CT, abdomen/pelvis — axial plane, index 79 — soft-tissue window (W 400 / L 40) — scan has 15 labeled organs (that count is for the whole scan; organs this slice misses have no box)
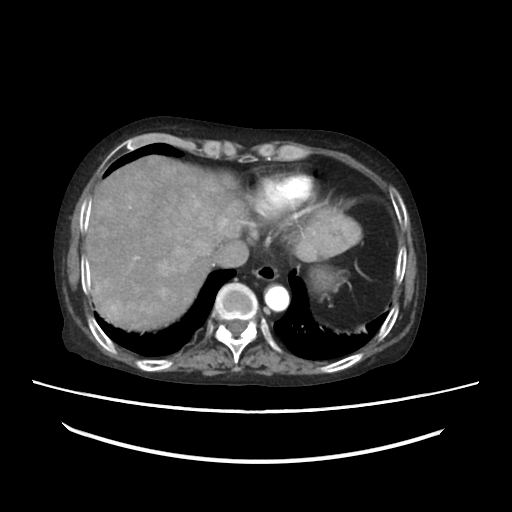
Organ boxes in pixel coordinates; each row gives the top-left (x1, y1) and bottom-right (x2, y2) corners.
| organ | x1 | y1 | x2 | y2 |
|---|---|---|---|---|
| aorta | 264 | 284 | 290 | 310 |
| esophagus | 253 | 265 | 279 | 281 |
| liver | 86 | 156 | 361 | 331 |
| inferior vena cava | 212 | 242 | 250 | 268 |
| stomach | 310 | 271 | 342 | 291 |